Computed tomography, abdomen · Axial slice 89/93
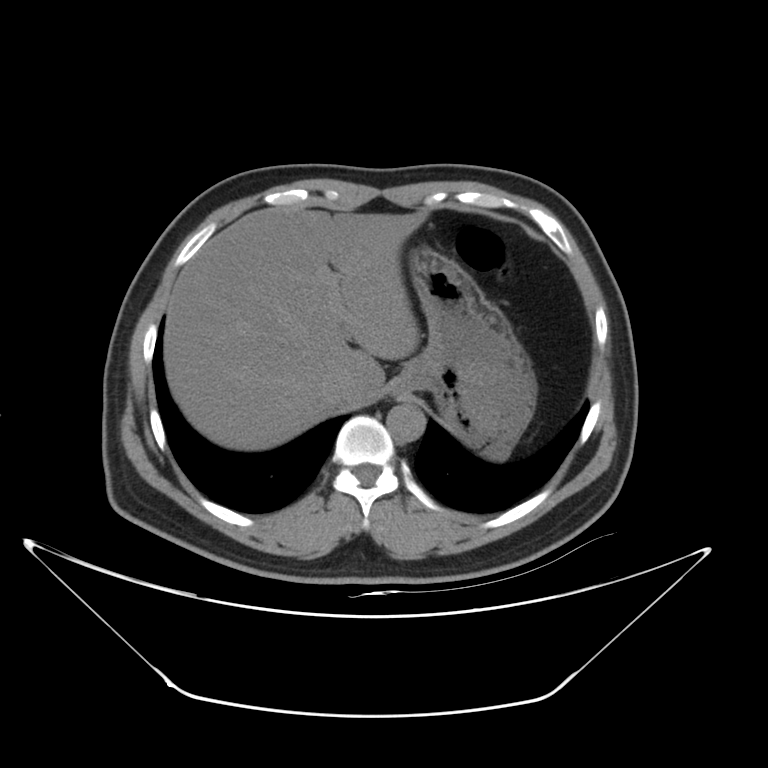 {"organs":{"stomach":[406,246,536,458],"inferior vena cava":[326,375,356,402],"liver":[164,205,426,450],"aorta":[387,403,426,442],"esophagus":[388,369,421,394]}}